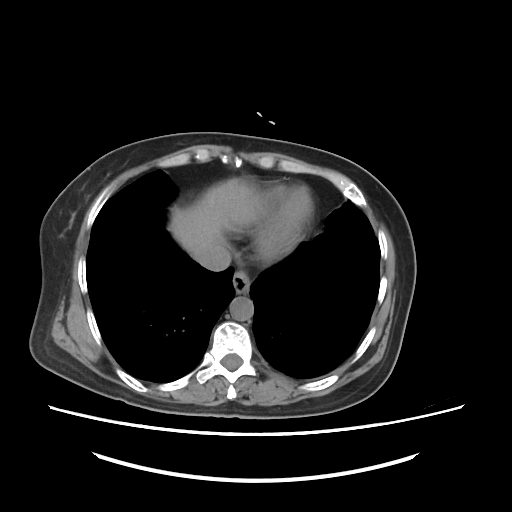

CT abdomen. axial view. soft-tissue window (W 400 / L 40). 512x512 px. 15 organs annotated in this scan (that count is for the whole scan; organs this slice misses have no box)
{"organs":{"esophagus":[233,270,250,293],"liver":[167,178,258,257],"aorta":[229,297,253,321],"inferior vena cava":[199,248,229,268]}}